CT, abdomen/pelvis — Axial slice 10/82 — abdomen soft-tissue window — 768x768 px — 66-year-old male patient
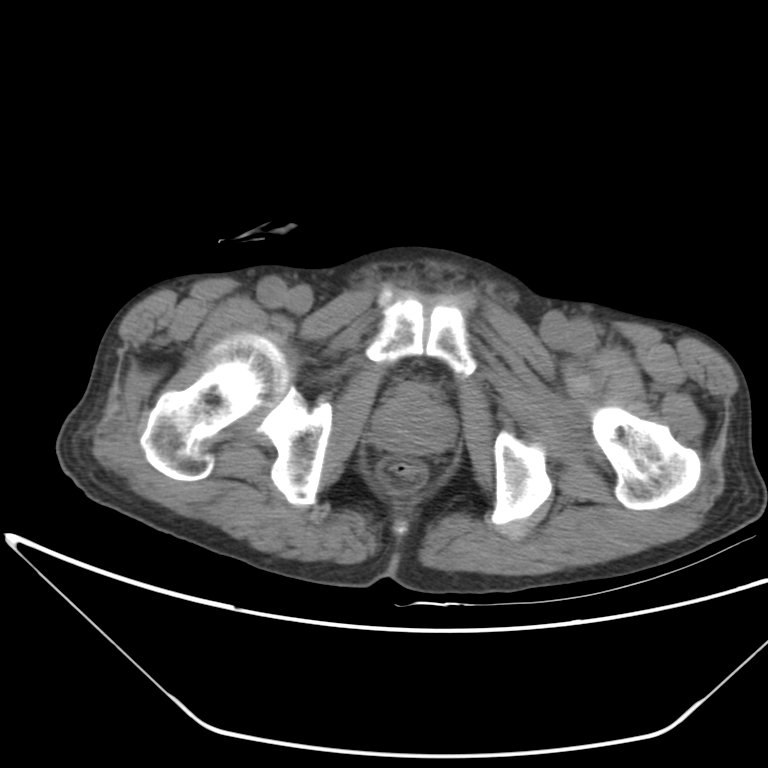

Coordinates as <box>x1,y1,x2,y2</box> in pixels.
prostate/uterus: <box>371,390,456,454</box>